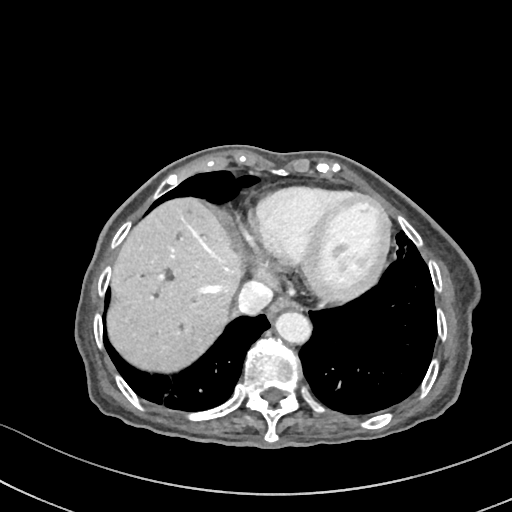 Abdominal CT — axial view — W/L 400/40 HU — SOMATOM Force scanner
{"organs":{"esophagus":[268,295,298,316],"liver":[105,196,249,371],"aorta":[273,310,310,342],"inferior vena cava":[235,281,271,314]}}